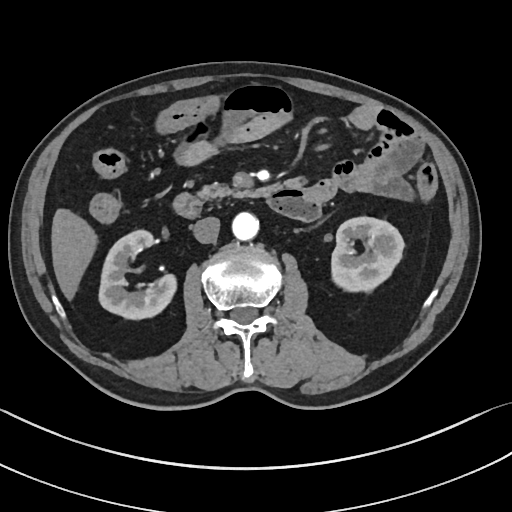 Abdominal CT; Axial slice 136/306; W/L 400/40 HU; acquired on SOMATOM Force
Boxes are (x1, y1, x2, y2) in pixels. 7 labeled organs on this slice — right kidney at (99, 231, 178, 320); left kidney at (332, 217, 404, 292); liver at (51, 209, 97, 302); aorta at (231, 213, 258, 241); inferior vena cava at (192, 217, 220, 243); pancreas at (197, 182, 261, 199); duodenum at (172, 187, 320, 221).